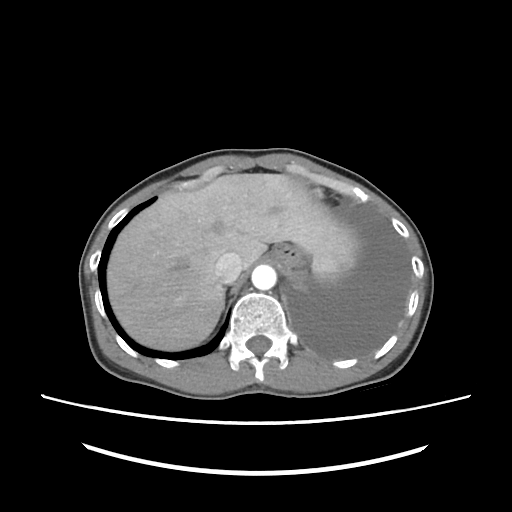
CT abdomen. Axial slice 73/88
Boxes: x1 y1 x2 y2 (pixel coords, space-separated). The annotated organs in this slice are: spleen at 312 254 340 279, liver at 107 173 355 350, stomach at 272 245 302 270, aorta at 251 265 276 290, inferior vena cava at 215 252 242 283, right adrenal gland at 221 292 224 310.